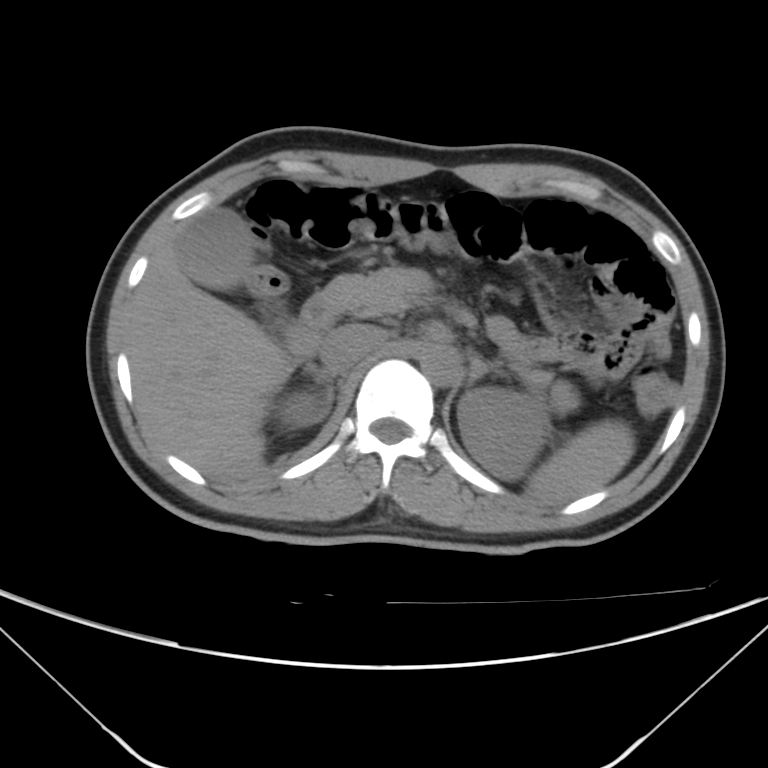 Computed tomography, abdomen; axial plane, index 70; 768x768 px
{"organs":{"inferior vena cava":[319,324,385,373],"pancreas":[322,265,575,412],"gall bladder":[177,207,318,357],"spleen":[526,420,634,502],"aorta":[420,343,459,386],"right kidney":[281,392,323,427],"duodenum":[299,293,337,332],"left adrenal gland":[467,355,502,386],"right adrenal gland":[306,366,341,416],"liver":[127,220,294,481],"left kidney":[457,387,549,481]}}